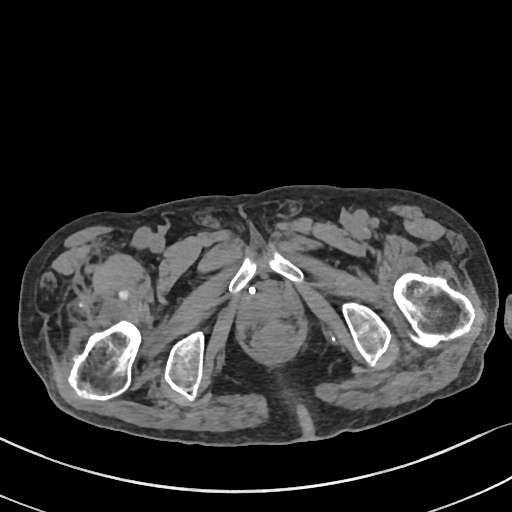 Computed tomography, abdomen; axial view; 512x512 px
{"organs":{"prostate/uterus":[248,291,285,319]}}